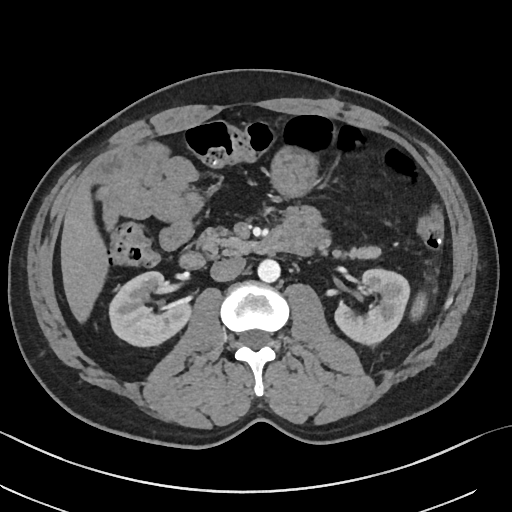 Computed tomography, abdomen; Axial slice 142/307; abdomen soft-tissue window
{"organs":{"spleen":[410,292,426,320],"right kidney":[109,271,190,346],"left kidney":[335,268,409,344],"liver":[61,181,107,322],"stomach":[271,146,317,196],"aorta":[257,259,280,282],"inferior vena cava":[210,256,245,281],"pancreas":[197,228,380,259],"duodenum":[179,229,293,268]}}